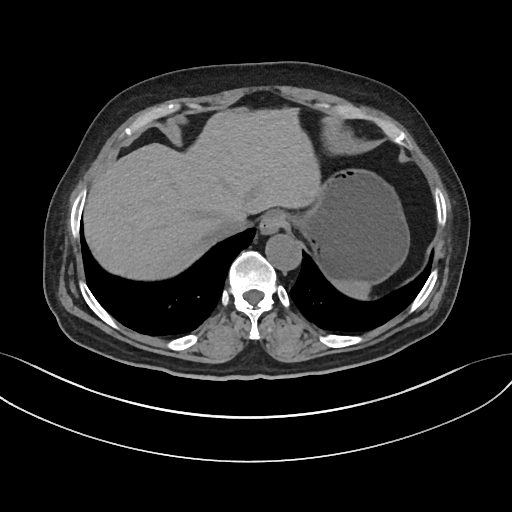
CT abdomen · Axial slice 182/207 · soft-tissue window
Bounding boxes as [x1, y1, x2, y2] in pixel coordinates.
Organ bounding boxes:
- spleen: [332, 281, 371, 299]
- esophagus: [259, 210, 288, 232]
- liver: [83, 109, 317, 279]
- stomach: [289, 167, 409, 283]
- aorta: [265, 233, 300, 270]
- inferior vena cava: [217, 213, 249, 236]